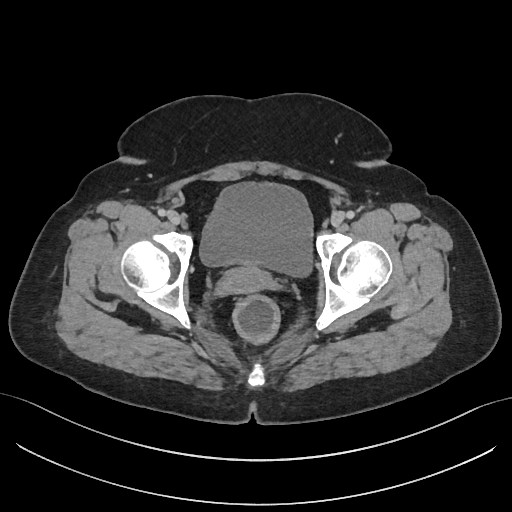
Computed tomography, abdomen — Axial slice 35/305 — soft-tissue window
Boxes: x1:y1:x2:y2 in pixels.
Organ bounding boxes:
- bladder: 200:183:311:275
- prostate/uterus: 222:266:268:292